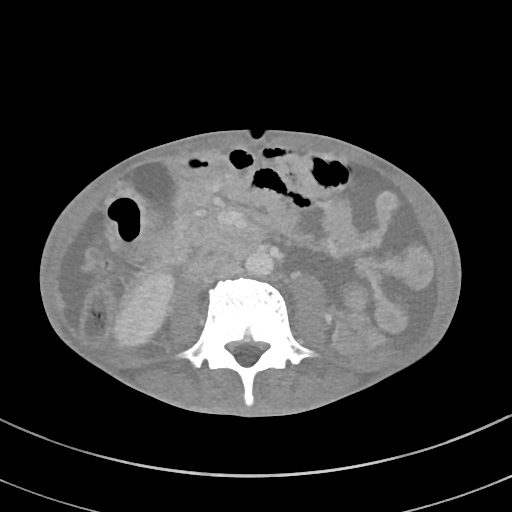 CT abdomen — axial view
<organs><organ name="pancreas" x1="187" y1="216" x2="232" y2="250"/><organ name="aorta" x1="245" y1="251" x2="273" y2="275"/><organ name="duodenum" x1="184" y1="229" x2="260" y2="280"/><organ name="gall bladder" x1="134" y1="162" x2="178" y2="208"/><organ name="right kidney" x1="115" y1="273" x2="172" y2="344"/><organ name="inferior vena cava" x1="215" y1="262" x2="241" y2="277"/></organs>